Computed tomography, abdomen — axial plane, index 47 — 512x512 px
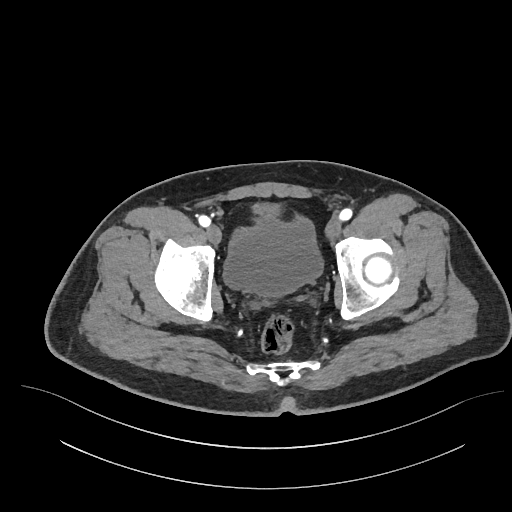

Boxes are (x1, y1, x2, y2) in pixels. The annotated organs in this slice are: bladder at (223, 203, 323, 294).